Abdominal CT; Axial slice 193/206; soft-tissue window (W 400 / L 40); 512x512 px; SOMATOM Force scanner
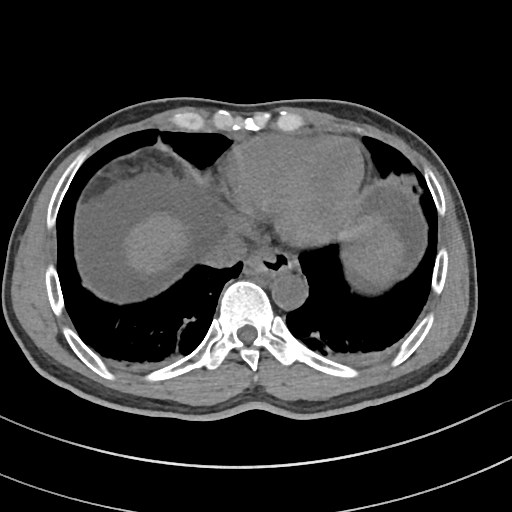
Boxes: x1:y1:x2:y2 in pixels.
spleen: 346:253:382:282
esophagus: 244:248:296:276
liver: 122:211:404:282
aorta: 271:273:307:309
inferior vena cava: 201:233:246:267